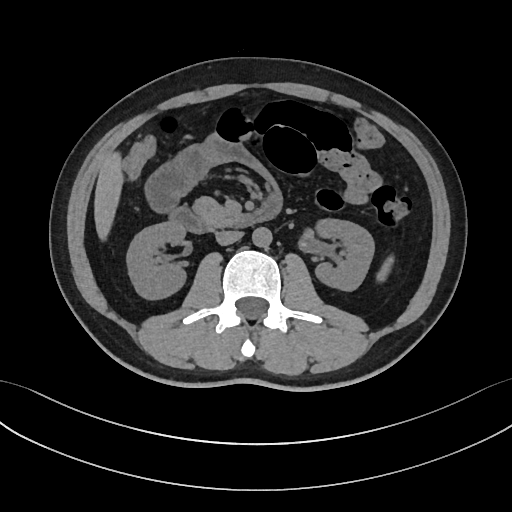

Abdominal CT. axial view. soft-tissue window
Boxes: x1 y1 x2 y2 (pixel coords, space-separated).
Organ bounding boxes:
- spleen: 376 257 394 280
- right kidney: 127 222 187 300
- left kidney: 314 219 374 291
- liver: 94 150 123 240
- aorta: 252 227 271 247
- inferior vena cava: 215 230 242 244
- pancreas: 192 197 239 227
- duodenum: 168 191 282 233